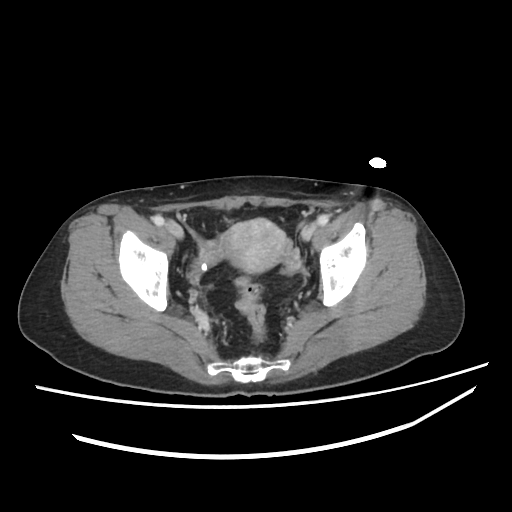

CT, abdomen/pelvis; axial plane, index 18; soft-tissue window (W 400 / L 40)
Boxes: x1:y1:x2:y2 in pixels.
prostate/uterus: 221:218:288:273